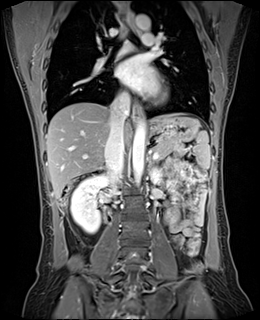
MRI, abdomen · coronal plane, index 65 · 13 organs annotated in this scan (counted over the whole 3D scan, not this slice; an organ is boxed only where this slice passes through it)
Boxes: x1:y1:x2:y2 in pixels.
spleen: 192:131:210:171
right kidney: 71:174:108:232
left kidney: 152:172:159:181
esophagus: 134:101:142:121
esophagus: 128:12:134:29
liver: 46:102:185:198
stomach: 147:116:199:142
aorta: 132:120:145:185
aorta: 135:15:150:30
inferior vena cava: 104:94:130:177
pancreas: 154:141:182:158
left adrenal gland: 148:158:150:163